Abdominal CT; Axial slice 179/231; soft-tissue window; acquired on SOMATOM Force
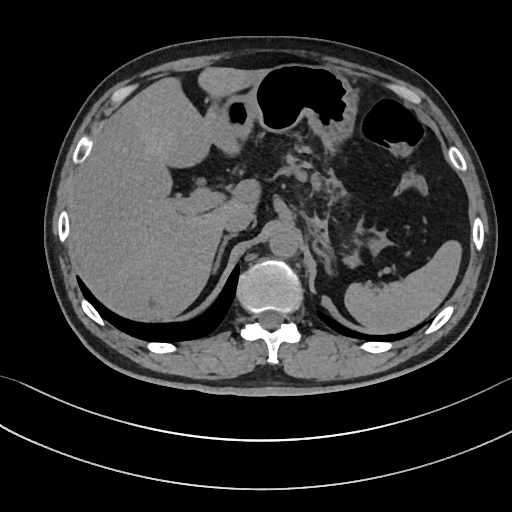 Boxes: x1 y1 x2 y2 (pixel coords, space-separated). The annotated organs in this slice are: spleen at 343 240 460 331, liver at 69 67 271 318, stomach at 225 65 385 249, aorta at 268 228 298 258, inferior vena cava at 223 208 252 232, pancreas at 280 165 341 187, right adrenal gland at 214 234 235 270, left adrenal gland at 325 261 328 269.